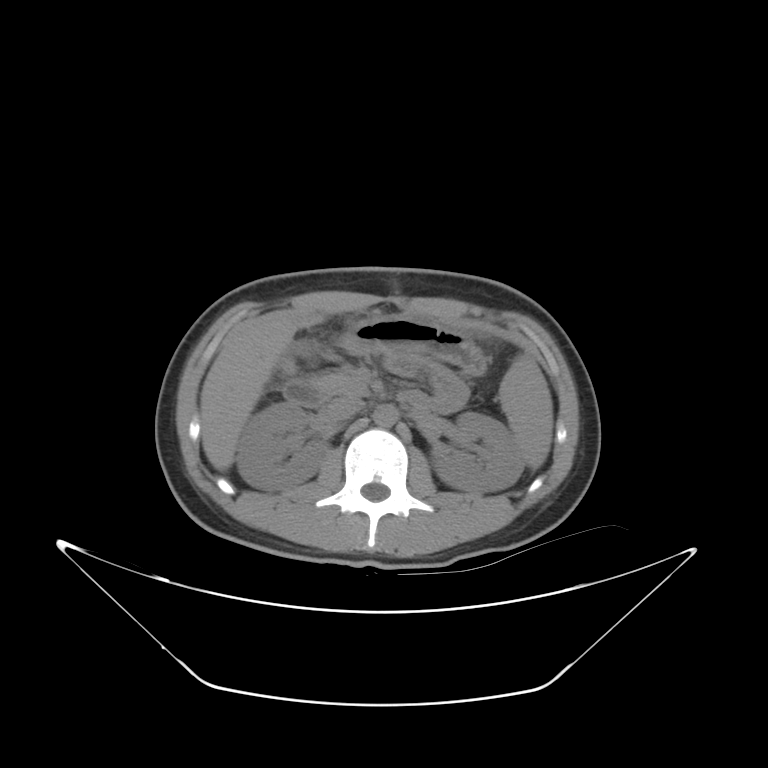

CT, abdomen/pelvis — axial view — abdomen soft-tissue window
{"organs":{"liver":[200,315,399,470],"right kidney":[236,403,326,488],"duodenum":[284,378,324,403],"spleen":[500,352,552,465],"gall bladder":[296,341,320,360],"stomach":[339,319,489,374],"inferior vena cava":[317,398,361,419],"aorta":[372,404,400,427],"left kidney":[430,414,523,491],"pancreas":[311,374,367,396]}}